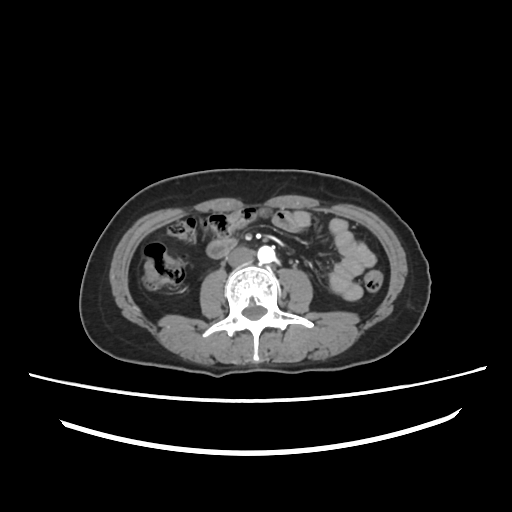
Computed tomography, abdomen. axial view. soft-tissue window. 512x512 px. 45-year-old female patient. scan has 15 labeled organs (counted over the whole 3D scan, not this slice; an organ is boxed only where this slice passes through it)
<organs><organ name="aorta" x1="257" y1="246" x2="275" y2="263"/><organ name="inferior vena cava" x1="226" y1="247" x2="254" y2="267"/></organs>